Computed tomography, abdomen; axial view; abdomen soft-tissue window; 45-year-old male patient; acquired on Brilliance16; 15 organs annotated in this scan (a whole-scan count: organs this slice does not pass through have no box)
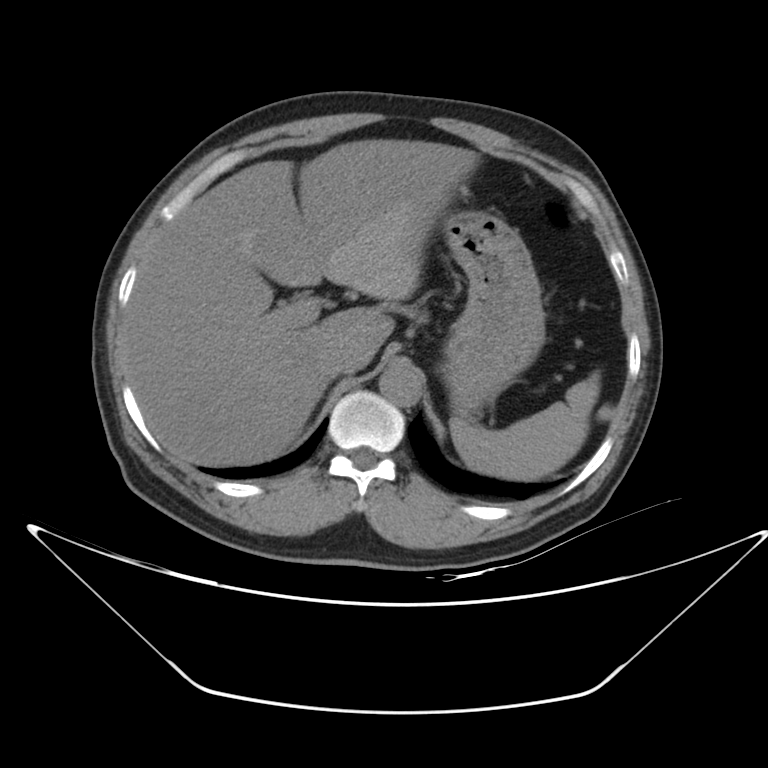

<organs><organ name="spleen" x1="449" y1="371" x2="600" y2="480"/><organ name="liver" x1="122" y1="139" x2="478" y2="465"/><organ name="stomach" x1="440" y1="211" x2="544" y2="419"/><organ name="aorta" x1="378" y1="365" x2="422" y2="407"/><organ name="inferior vena cava" x1="321" y1="341" x2="366" y2="377"/></organs>